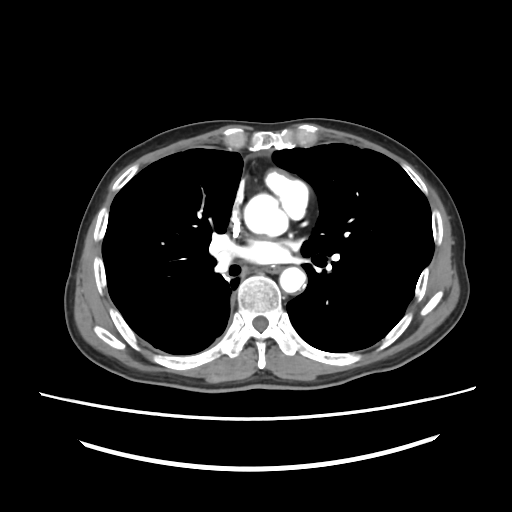

Chest-level CT slice, above the liver and spleen — axial view — soft-tissue window (W 400 / L 40) — 512x512 px — acquired on Aquilion ONE — scan has 15 labeled organs (counted over the whole 3D scan, not this slice; an organ is boxed only where this slice passes through it)
On a slice this high in the chest, this dataset labels only the esophagus and the aorta, and each is boxed only where it is labeled; the heart, lungs and other chest structures are not labeled.
{"organs":{"esophagus":[264,266,279,272],"aorta":[[244,194,288,240],[279,267,307,296]]}}